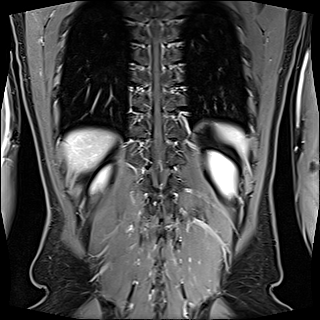

Abdominal MR · coronal acquisition
Bounding boxes in pixels, one row per box: x1, y1 is the top-left corner and x2, y2 the bottom-right.
| organ | x1 | y1 | x2 | y2 |
|---|---|---|---|---|
| spleen | 216 | 124 | 247 | 155 |
| right kidney | 93 | 168 | 108 | 189 |
| left kidney | 208 | 152 | 235 | 194 |
| liver | 64 | 129 | 113 | 171 |